Computed tomography, abdomen. axial view. abdomen soft-tissue window. 512x512 px
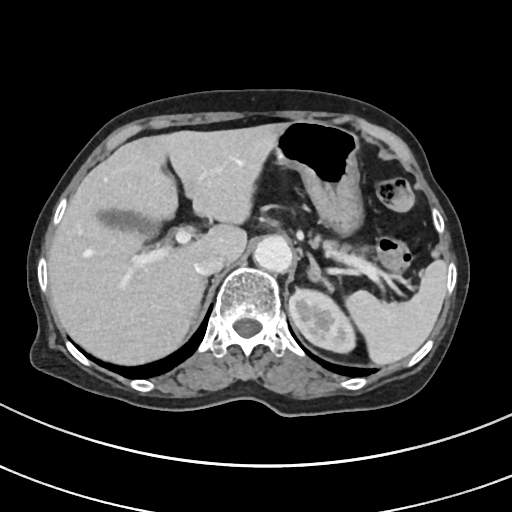

Boxes: x1:y1:x2:y2 in pixels. The annotated organs in this slice are: spleen at 347:261:446:364, left kidney at 289:288:354:352, gall bladder at 99:210:157:235, liver at 48:123:287:363, stomach at 275:121:364:235, aorta at 254:238:292:274, inferior vena cava at 195:254:226:276, pancreas at 309:236:363:257, right adrenal gland at 190:278:207:324, left adrenal gland at 309:259:337:292.